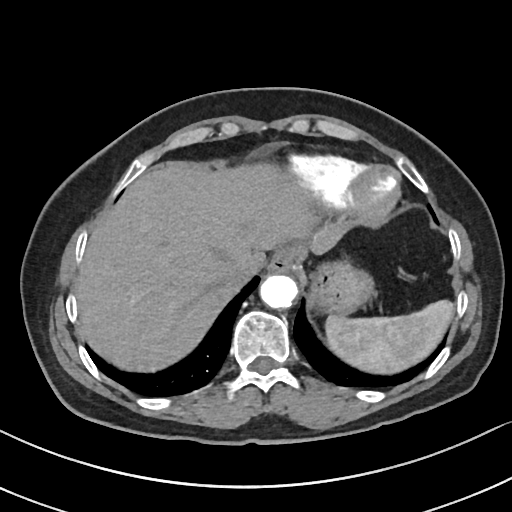
CT abdomen; axial view
Boxes are (x1, y1, x2, y2) in pixels. Labeled organs on this slice: inferior vena cava at (223, 258, 260, 284), spleen at (325, 300, 454, 373), stomach at (310, 259, 374, 315), esophagus at (269, 246, 298, 273), aorta at (260, 275, 297, 308), liver at (75, 163, 341, 371).